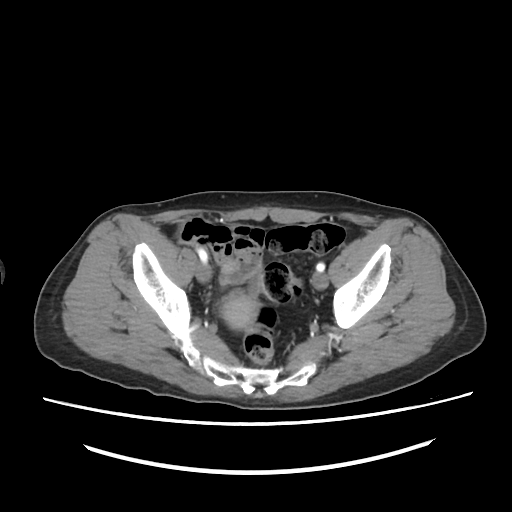 CT, abdomen/pelvis; axial view; W/L 400/40 HU; Aquilion ONE scanner
Boxes: x1 y1 x2 y2 (pixel coords, space-separated). Labeled organs on this slice: bladder at 221 295 259 331.